Abdominal CT. axial view. abdomen soft-tissue window
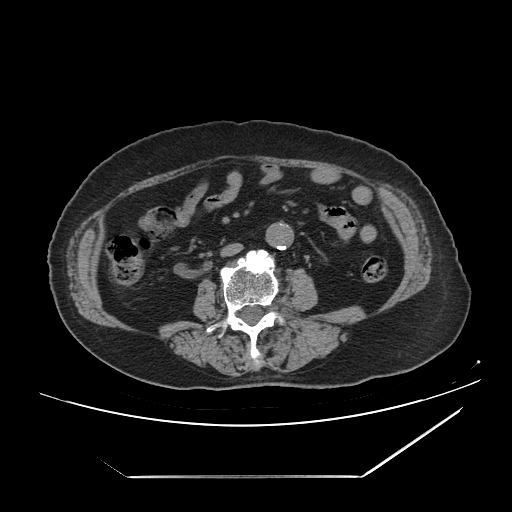
<organs><organ name="aorta" x1="266" y1="222" x2="293" y2="249"/><organ name="inferior vena cava" x1="220" y1="243" x2="242" y2="256"/></organs>